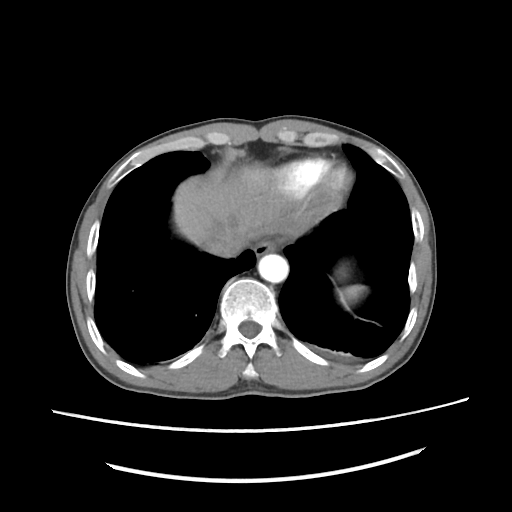

CT, abdomen/pelvis. Axial slice 85/86
Each box given as x1,y1,x2,y2. 5 labeled organs on this slice — aorta at x1=257, y1=254, x2=288, y2=283; spleen at x1=337, y1=284, x2=367, y2=308; esophagus at x1=253, y1=238, x2=282, y2=256; liver at x1=172, y1=163, x2=282, y2=245; inferior vena cava at x1=199, y1=229, x2=240, y2=256.